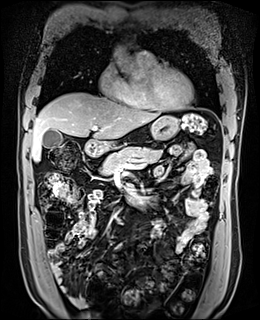

Magnetic resonance imaging, abdomen; Coronal slice 93/144; 260x320 px
Each box given as x1,y1,x2,y2. Labeled organs on this slice: gall bladder at x1=43, y1=129, x2=63, y2=148, liver at x1=31, y1=92, x2=160, y2=161, stomach at x1=150, y1=115, x2=179, y2=140, aorta at x1=112, y1=46, x2=144, y2=80, pancreas at x1=101, y1=146, x2=161, y2=174, duodenum at x1=84, y1=139, x2=148, y2=205.